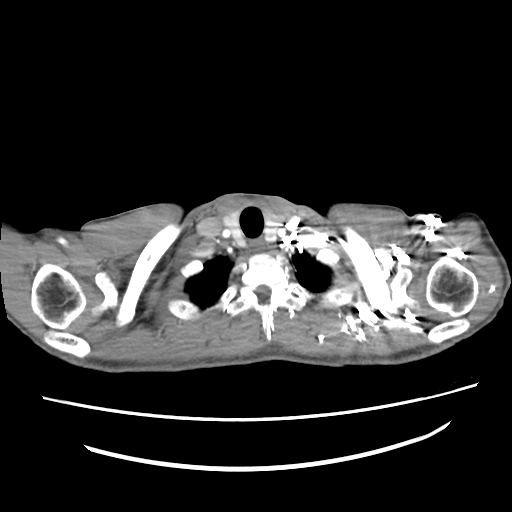

CT of the abdomen extending into the chest, slice through the chest — axial plane, index 130
At this level of the chest this dataset labels only the esophagus and the aorta, and each is boxed only where it is labeled; the heart and lungs are never labeled.
Each box given as x1,y1,x2,y2.
esophagus: x1=250, y1=240, x2=264, y2=251